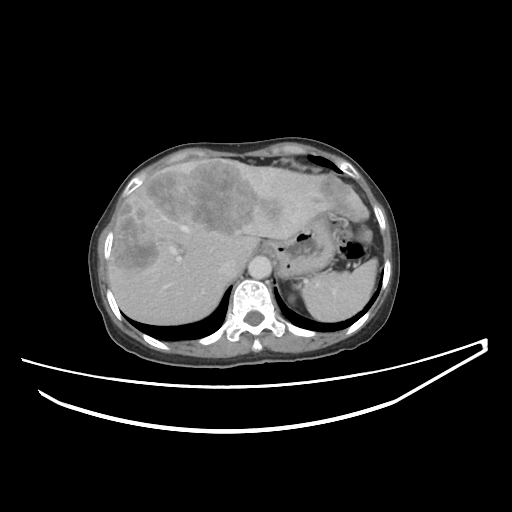
CT, abdomen/pelvis — Axial slice 74/116 — abdomen soft-tissue window — 62-year-old female patient
Bounding boxes as [x1, y1, x2, y2] in pixel coordinates. Labeled organs on this slice: spleen at [301, 202, 377, 321], stomach at [261, 215, 335, 277], inferior vena cava at [219, 262, 240, 278], aorta at [248, 255, 271, 279], liver at [108, 158, 371, 324].